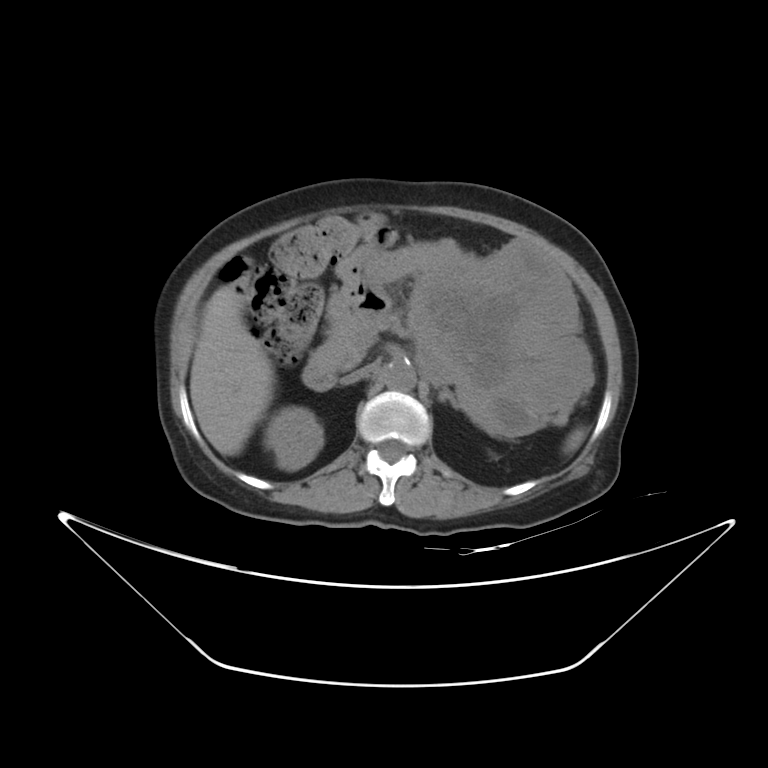
Abdominal CT. axial view. 768x768 px. Brilliance16 scanner
Coordinates as <box>x1,y1,x2,y2</box> in pixels. Labeled organs on this slice: spleen at <box>566,429,584,448</box>, right kidney at <box>268,407,323,470</box>, liver at <box>190,288,273,455</box>, stomach at <box>328,237,591,433</box>, aorta at <box>381,359,417,391</box>, inferior vena cava at <box>340,366,371,385</box>, pancreas at <box>310,315,568,423</box>, left adrenal gland at <box>438,390,458,406</box>, duodenum at <box>302,363,335,390</box>.